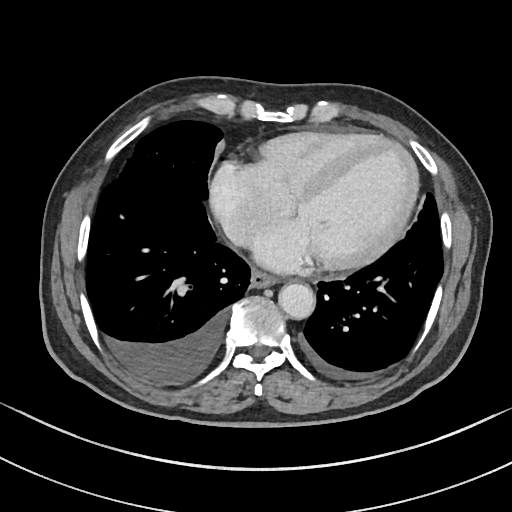 Abdominal CT; this slice is in the lower chest, just above the liver · axial view · 512x512 px · scan has 14 labeled organs (that count is for the whole scan; organs this slice misses have no box)
No part of the heart or lungs is labeled in this dataset, so neither has a box here. Boxes: x1 y1 x2 y2 (pixel coords, space-separated). The annotated organs in this slice are: esophagus at 251 269 277 287, aorta at 278 283 315 319, inferior vena cava at 223 221 249 246.